CT, abdomen/pelvis — axial plane, index 129
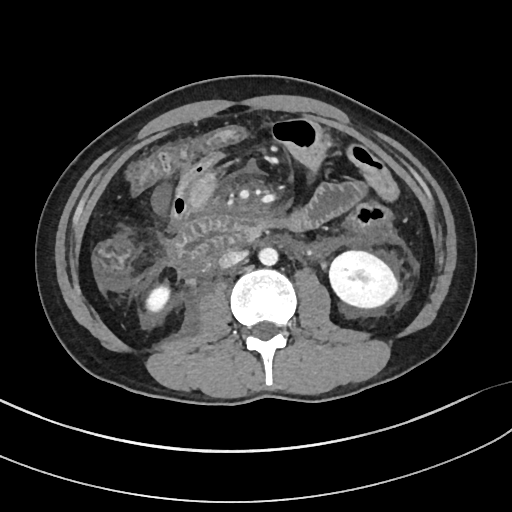 One row per box, in pixels: columns x1 and y1 give the top-left corner, x2 and y2 the bottom-right.
| organ | x1 | y1 | x2 | y2 |
|---|---|---|---|---|
| aorta | 258 | 247 | 277 | 265 |
| inferior vena cava | 219 | 250 | 247 | 268 |
| left kidney | 329 | 250 | 397 | 307 |
| right kidney | 146 | 286 | 169 | 313 |
| duodenum | 171 | 215 | 260 | 272 |